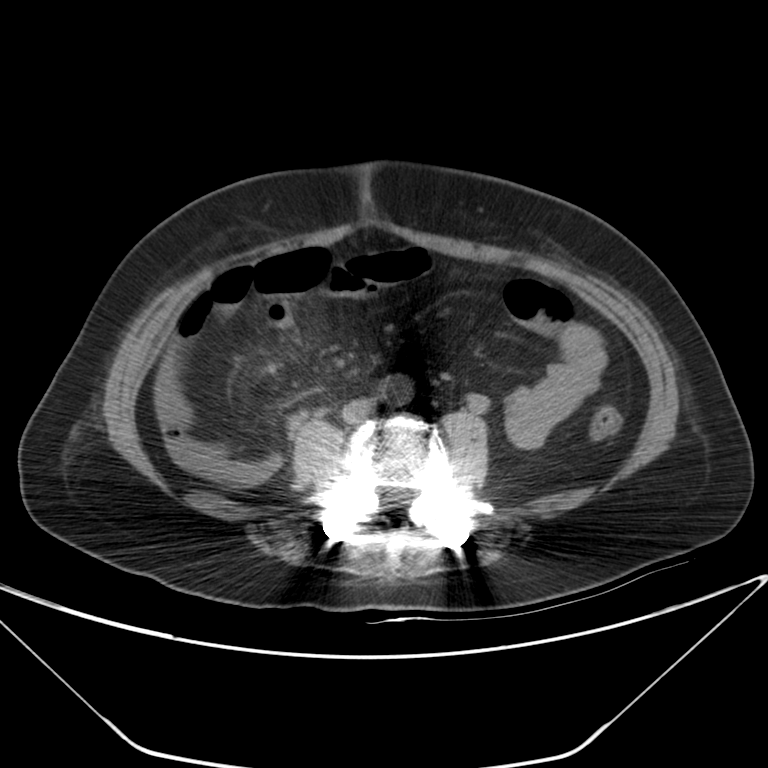 CT, abdomen/pelvis; axial view; 768x768 px; Brilliance16 scanner
Boxes: x1 y1 x2 y2 (pixel coords, space-separated).
Organ bounding boxes:
- aorta: 382 378 410 400